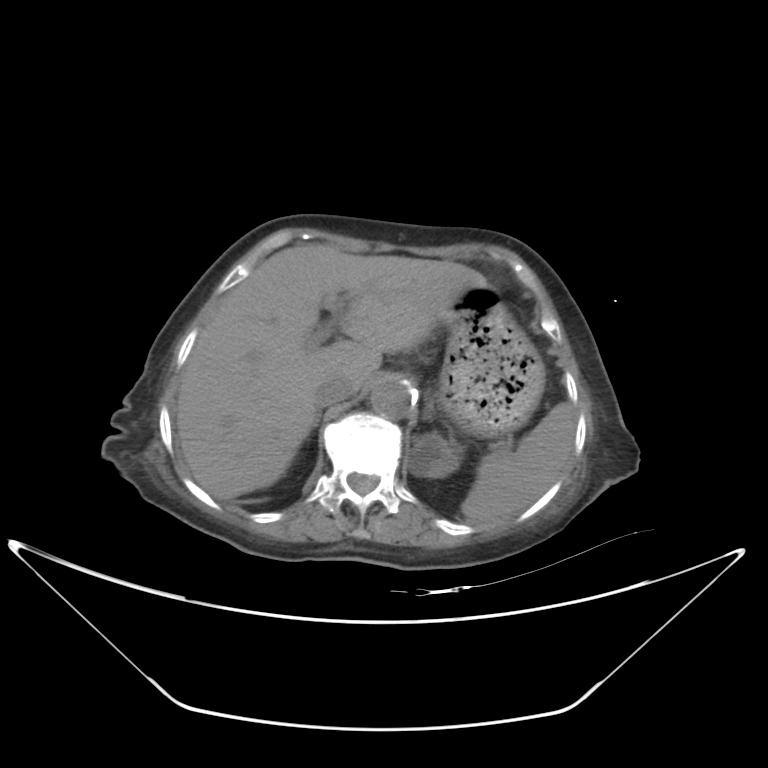

CT abdomen — Axial slice 63/79 — female patient aged 90 or older
{"organs":{"spleen":[461,402,575,523],"left kidney":[409,432,462,477],"liver":[175,243,484,499],"stomach":[435,279,545,438],"aorta":[370,377,415,419],"inferior vena cava":[314,374,354,406],"right adrenal gland":[312,414,319,427],"left adrenal gland":[424,402,433,419]}}